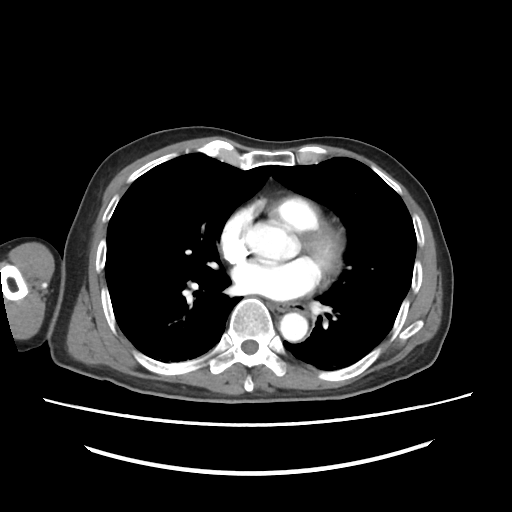

Abdominal CT reaching into the chest; this slice is in the chest; axial view; acquired on Aquilion ONE
At this level of the chest this dataset labels only the esophagus and the aorta, and each is boxed only where it is labeled; the heart and lungs are never labeled.
{"organs":{"esophagus":[268,301,307,313],"aorta":[280,314,307,342]}}